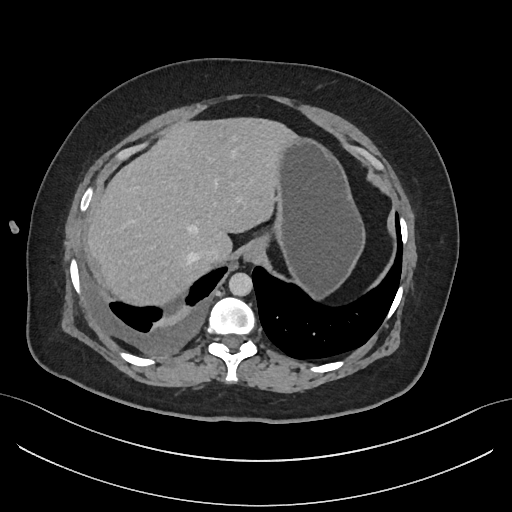 CT, abdomen/pelvis · axial plane, index 190 · 512x512 px
Boxes: x1 y1 x2 y2 (pixel coords, space-separated).
Organ bounding boxes:
- esophagus: 242 239 264 262
- liver: 90 119 300 306
- stomach: 275 140 363 296
- aorta: 228 272 252 296
- inferior vena cava: 197 242 223 262